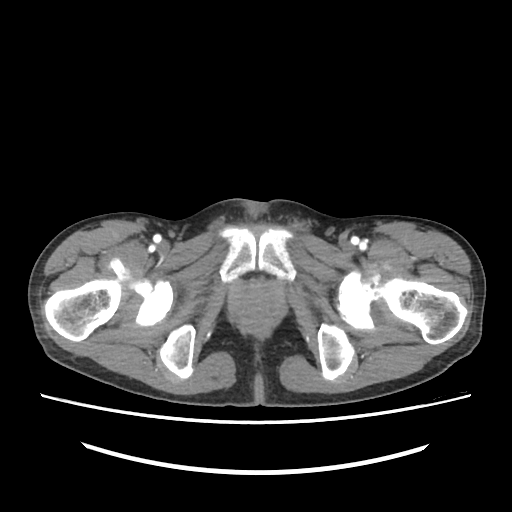

Abdominal CT · axial view · soft-tissue window (W 400 / L 40) · 512x512 px · 46-year-old male patient
{"organs":{"prostate/uterus":[238,284,275,312]}}